Computed tomography, abdomen; Axial slice 210/353
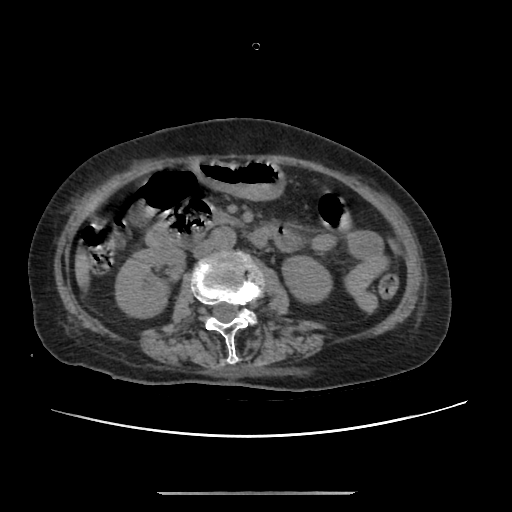
<organs><organ name="right kidney" x1="115" y1="244" x2="184" y2="318"/><organ name="inferior vena cava" x1="193" y1="239" x2="214" y2="257"/><organ name="duodenum" x1="145" y1="198" x2="277" y2="246"/><organ name="pancreas" x1="212" y1="211" x2="239" y2="225"/><organ name="stomach" x1="192" y1="158" x2="285" y2="200"/><organ name="left kidney" x1="282" y1="256" x2="332" y2="302"/><organ name="aorta" x1="212" y1="227" x2="236" y2="250"/></organs>